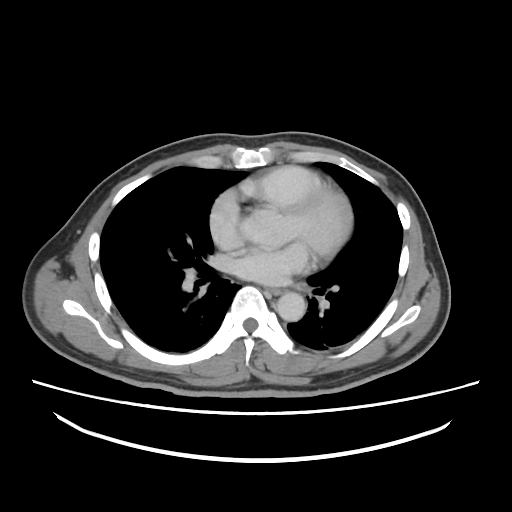 Lower-chest slice from an abdominal CT, just above the liver and spleen · axial plane, index 104
The heart and lungs are never labeled in this dataset, so they have no box on this slice.
Boxes are (x1, y1, x2, y2) in pixels.
esophagus: (267, 287, 284, 295)
aorta: (276, 292, 306, 321)